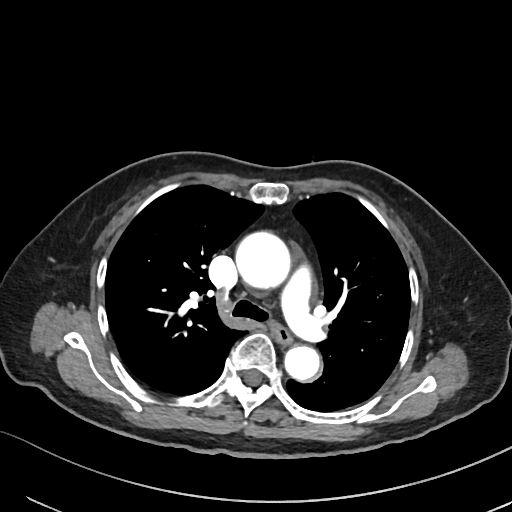
Chest-level slice from an abdominal CT that extends up into the chest · axial view · soft-tissue window · 512x512 px
At this level of the chest this dataset labels only the esophagus and the aorta, and each is boxed only where it is labeled; the heart and lungs are never labeled.
<organs><organ name="esophagus" x1="269" y1="320" x2="292" y2="345"/><organ name="aorta" x1="234" y1="230" x2="291" y2="289"/><organ name="aorta" x1="284" y1="346" x2="319" y2="381"/></organs>